CT, abdomen/pelvis. Axial slice 62/97. soft-tissue window (W 400 / L 40). 512x512 px. 49-year-old female patient
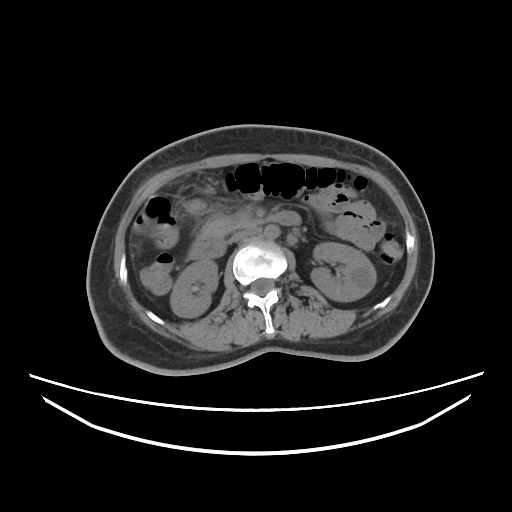

<organs><organ name="inferior vena cava" x1="228" y1="228" x2="253" y2="243"/><organ name="aorta" x1="264" y1="225" x2="279" y2="239"/><organ name="right kidney" x1="170" y1="259" x2="217" y2="317"/><organ name="pancreas" x1="218" y1="221" x2="249" y2="236"/><organ name="duodenum" x1="188" y1="211" x2="301" y2="259"/><organ name="left kidney" x1="310" y1="242" x2="376" y2="301"/><organ name="stomach" x1="187" y1="201" x2="249" y2="238"/></organs>